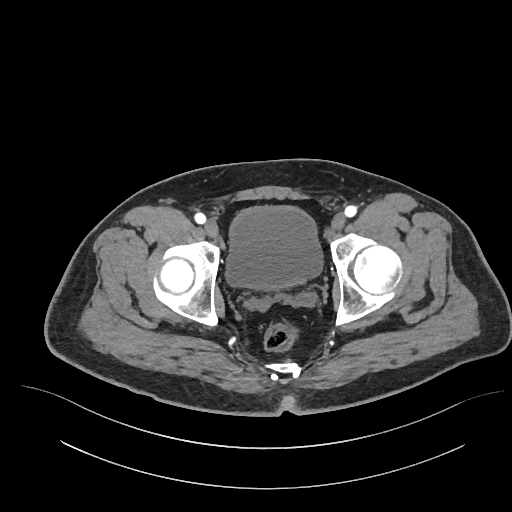

CT, abdomen/pelvis; axial view; abdomen soft-tissue window; acquired on SOMATOM Force
Coordinates as <box>x1,y1,x2,y2</box> in pixels. 1 labeled organ on this slice — bladder at <box>225,206,322,290</box>.